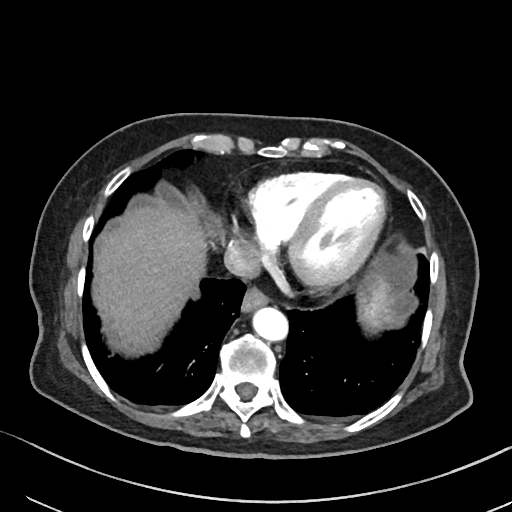

Abdominal CT — axial plane, index 207 — soft-tissue window (W 400 / L 40) — 512x512 px — 15 organs annotated in this scan (a whole-scan count: organs this slice does not pass through have no box)
Boxes are (x1, y1, x2, y2) in pixels.
Organ bounding boxes:
- spleen: (360, 275, 392, 326)
- esophagus: (240, 289, 268, 313)
- liver: (96, 203, 203, 345)
- aorta: (254, 308, 289, 342)
- inferior vena cava: (224, 240, 261, 279)